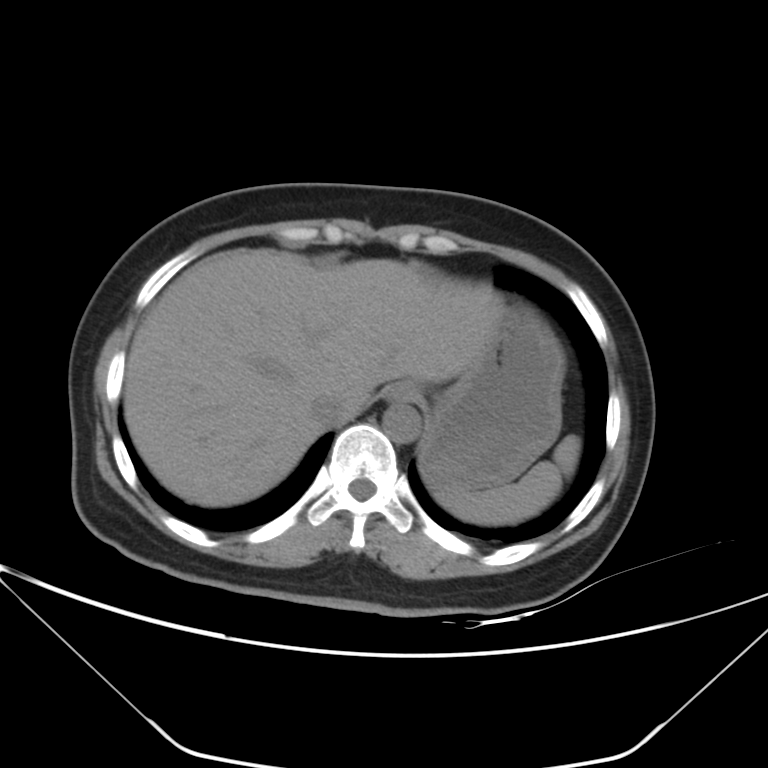
CT abdomen. axial plane, index 75. abdomen soft-tissue window
Each box given as x1,y1,x2,y2. The annotated organs in this slice are: inferior vena cava at x1=308, y1=390, x2=345, y2=424, aorta at x1=382, y1=401, x2=419, y2=443, stomach at x1=420, y1=296, x2=566, y2=490, spleen at x1=433, y1=436, x2=580, y2=525, liver at x1=124, y1=253, x2=501, y2=506, esophagus at x1=384, y1=381, x2=421, y2=400.